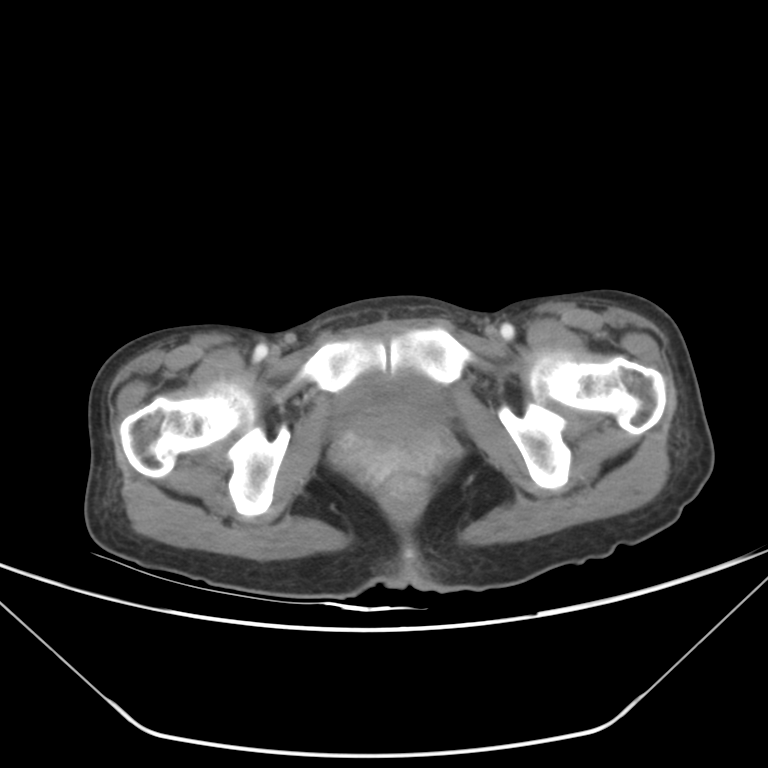 CT, abdomen/pelvis; axial view
One row per box, in pixels: columns x1 and y1 give the top-left corner, x2 and y2 the bottom-right.
| organ | x1 | y1 | x2 | y2 |
|---|---|---|---|---|
| bladder | 336 | 373 | 455 | 426 |
| prostate/uterus | 333 | 409 | 448 | 480 |